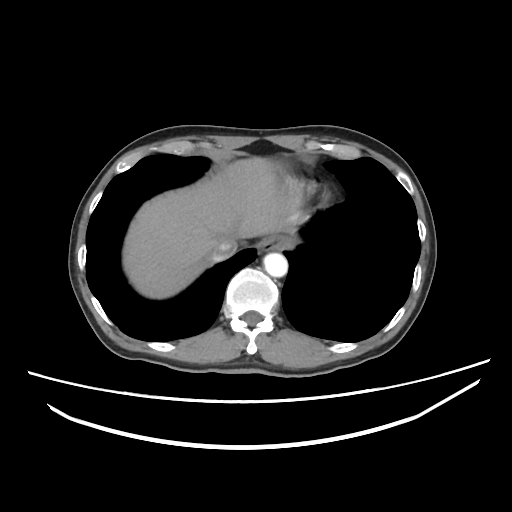

Abdominal CT · axial view · 63-year-old male patient · Aquilion ONE scanner
Coordinates as <box>x1,y1,x2,y2</box> in pixels.
Organ bounding boxes:
- liver: <box>123,157,295,298</box>
- inferior vena cava: <box>212,238,236,261</box>
- aorta: <box>263,252,287,277</box>
- esophagus: <box>258,235,291,252</box>